Abdominal CT. axial view. soft-tissue window. 15 organs annotated in this scan (counted over the whole 3D scan, not this slice; an organ is boxed only where this slice passes through it)
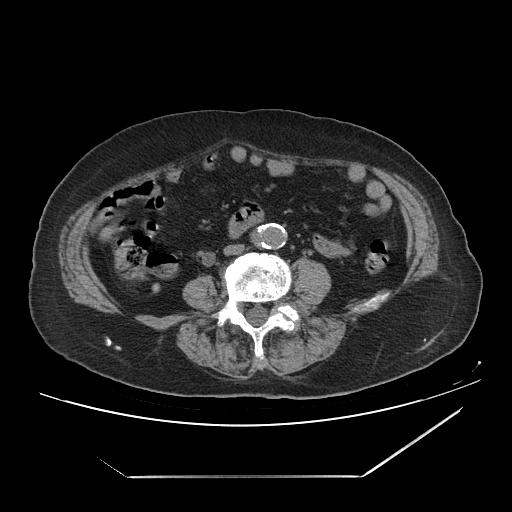

{"organs":{"aorta":[249,223,284,248],"inferior vena cava":[224,244,244,255]}}